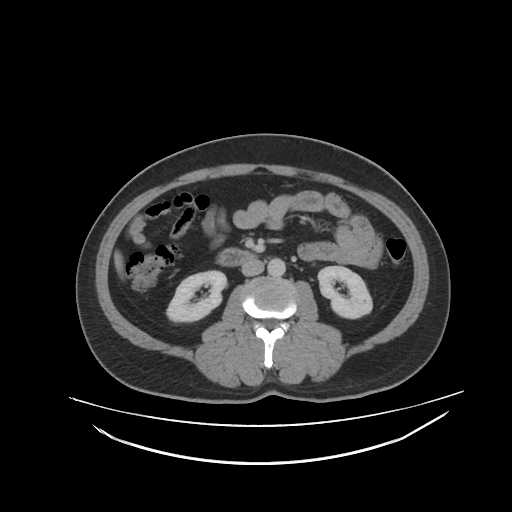

Computed tomography, abdomen · axial view · 512x512 px
Boxes are (x1, y1, x2, y2) in pixels.
right kidney: (167, 271, 226, 320)
left kidney: (318, 266, 372, 317)
liver: (114, 250, 120, 270)
aorta: (267, 258, 285, 277)
inferior vena cava: (241, 259, 263, 275)
duodenum: (217, 248, 255, 267)